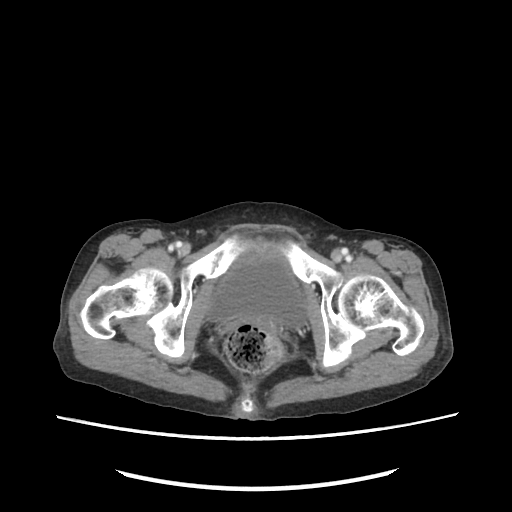

Abdominal CT. axial view. abdomen soft-tissue window. scan has 15 labeled organs (that count is for the whole scan; organs this slice misses have no box)
Boxes: x1:y1:x2:y2 in pixels.
Organ bounding boxes:
- bladder: 208:257:305:327